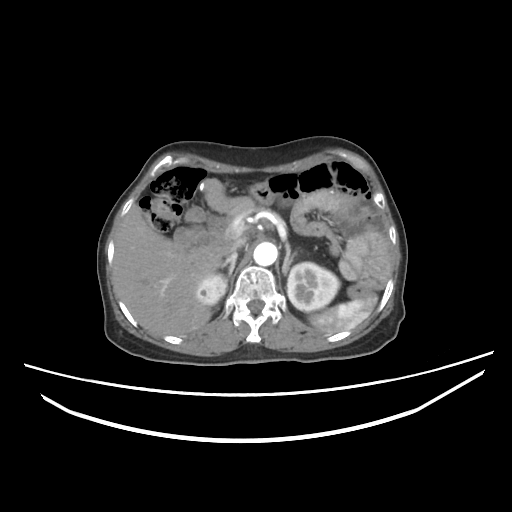

CT, abdomen/pelvis. axial plane, index 73. 512x512 px. 63-year-old female patient
Coordinates as <box>x1,y1,x2,y2</box> in pixels.
Organ bounding boxes:
- right kidney: <box>200,274,227,304</box>
- spleen: <box>309,295,377,334</box>
- liver: <box>114,205,226,334</box>
- left adrenal gland: <box>282,241,294,273</box>
- duodenum: <box>173,206,228,253</box>
- left kidney: <box>286,261,339,311</box>
- aorta: <box>253,242,278,265</box>
- inferior vena cava: <box>221,236,247,258</box>
- right adrenal gland: <box>220,253,236,277</box>